CT, abdomen/pelvis; axial view
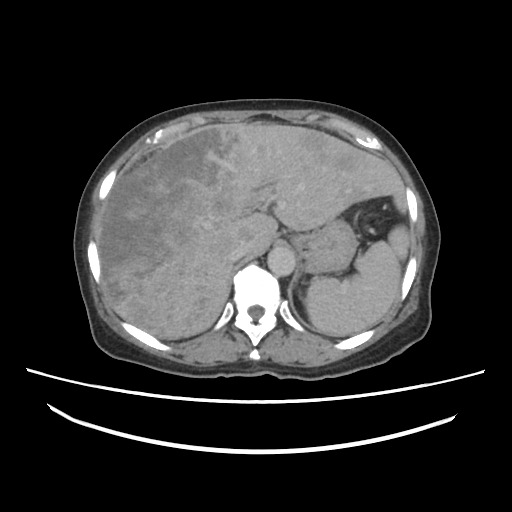 <organs><organ name="spleen" x1="305" y1="227" x2="407" y2="337"/><organ name="liver" x1="97" y1="123" x2="409" y2="339"/><organ name="stomach" x1="290" y1="217" x2="356" y2="276"/><organ name="aorta" x1="268" y1="246" x2="294" y2="276"/><organ name="inferior vena cava" x1="230" y1="247" x2="244" y2="260"/></organs>